Chest-level slice from an abdominal CT that extends up into the chest · axial view · soft-tissue window, W/L 400/40
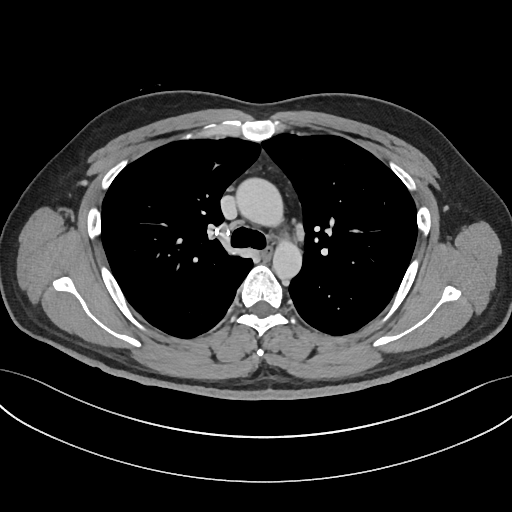 At this level of the chest this dataset labels only the esophagus and the aorta, and each is boxed only where it is labeled; the heart and lungs are never labeled.
Boxes are (x1, y1, x2, y2) in pixels.
Organ bounding boxes:
- esophagus: (260, 247, 271, 259)
- aorta: (237, 179, 301, 276)